CT, abdomen/pelvis. axial plane, index 24. abdomen soft-tissue window
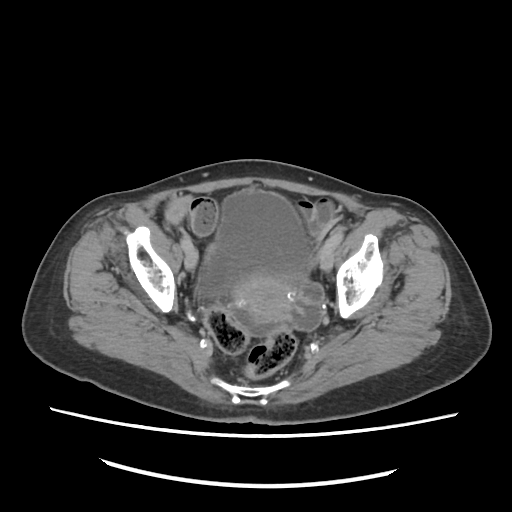 <organs><organ name="bladder" x1="201" y1="190" x2="305" y2="293"/><organ name="prostate/uterus" x1="230" y1="276" x2="292" y2="319"/></organs>